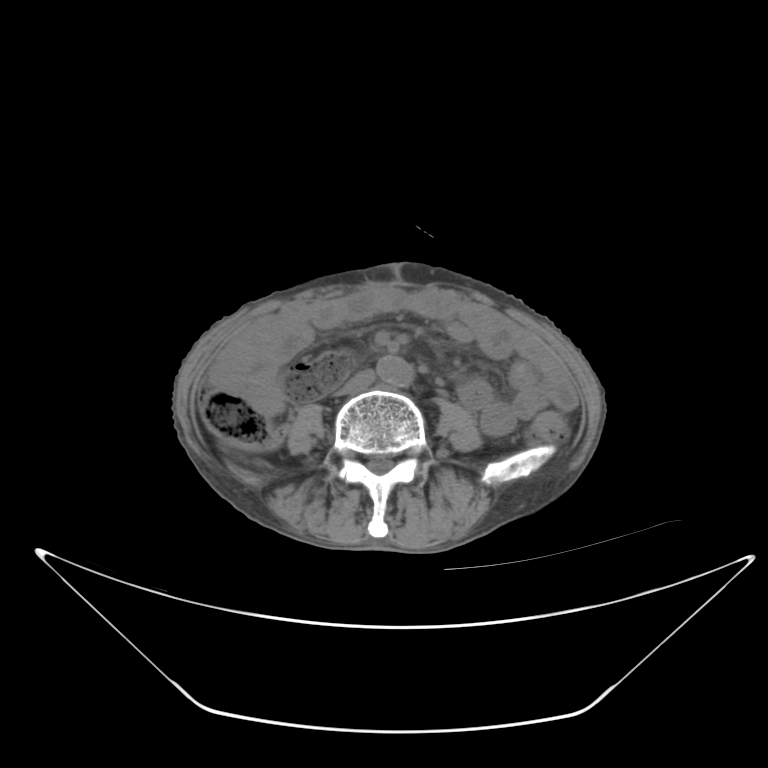 CT abdomen; Axial slice 49/95; 68-year-old male patient; scan has 13 labeled organs (a whole-scan count: organs this slice does not pass through have no box)
Boxes: x1 y1 x2 y2 (pixel coords, space-separated).
Organ bounding boxes:
- inferior vena cava: 334 369 374 395
- aorta: 376 355 412 386